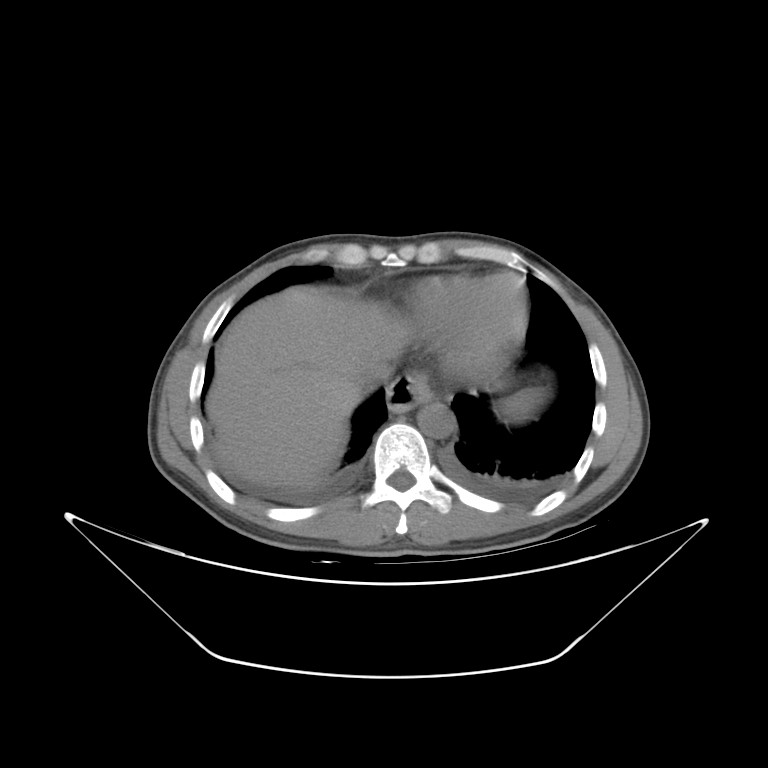

Computed tomography, abdomen · Axial slice 82/91 · 768x768 px · acquired on Brilliance16 · scan has 15 labeled organs (counted over the whole 3D scan, not this slice; an organ is boxed only where this slice passes through it)
One row per box, in pixels: columns x1 and y1 give the top-left corner, x2 and y2 the bottom-right.
| organ | x1 | y1 | x2 | y2 |
|---|---|---|---|---|
| spleen | 495 | 387 | 546 | 420 |
| esophagus | 387 | 374 | 432 | 412 |
| liver | 206 | 286 | 409 | 486 |
| stomach | 486 | 370 | 510 | 389 |
| aorta | 417 | 403 | 453 | 438 |
| inferior vena cava | 351 | 363 | 388 | 392 |